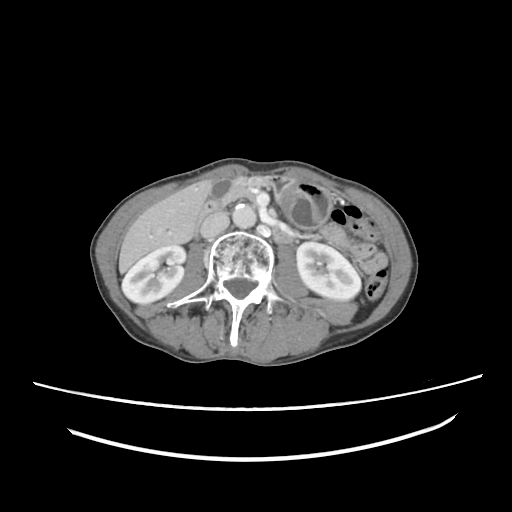

CT abdomen — axial view — W/L 400/40 HU — 59-year-old male patient
Boxes: x1 y1 x2 y2 (pixel coords, space-separated).
pancreas: 225 178 253 201
liver: 119 181 211 273
gall bladder: 210 179 232 198
left kidney: 296 242 360 300
right kidney: 122 245 185 303
aorta: 232 204 256 228
stomach: 258 177 332 229
duodenum: 193 200 291 243
inferior vena cava: 200 212 229 238